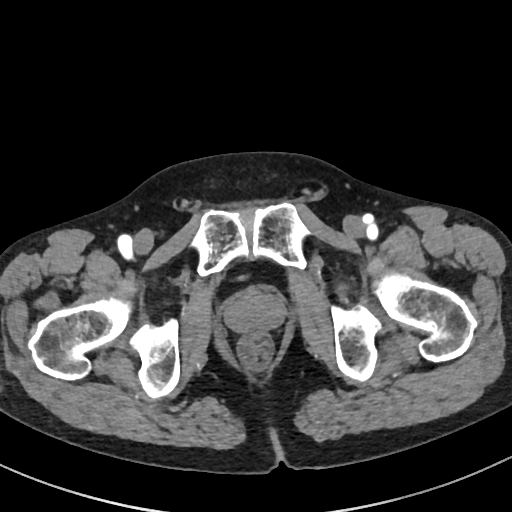

CT abdomen · axial view · W/L 400/40 HU · acquired on SOMATOM Force · scan has 15 labeled organs (counted over the whole 3D scan, not this slice; an organ is boxed only where this slice passes through it)
Boxes are (x1, y1, x2, y2) in pixels.
Organ bounding boxes:
- prostate/uterus: (226, 289, 284, 333)